Abdominal CT; this slice is in the lower chest, just above the liver. axial view. W/L 400/40 HU
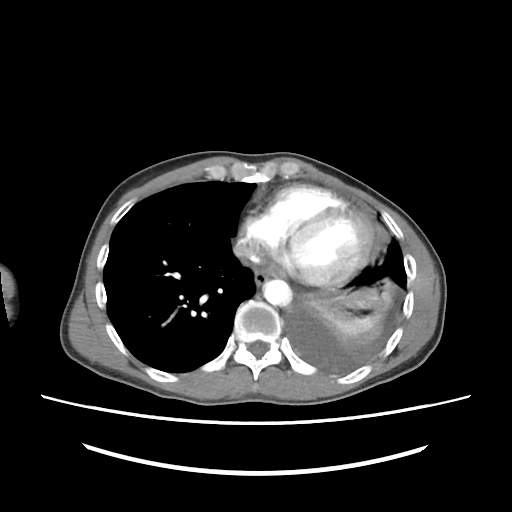 No part of the heart or lungs is labeled in this dataset, so neither has a box here. Boxes are (x1, y1, x2, y2) in pixels. Labeled organs on this slice: esophagus at (254, 267, 270, 285), aorta at (263, 279, 292, 306), inferior vena cava at (234, 242, 253, 256).